Lower-chest slice from an abdominal CT, just above the liver and spleen. axial view. W/L 400/40 HU. acquired on SOMATOM Force
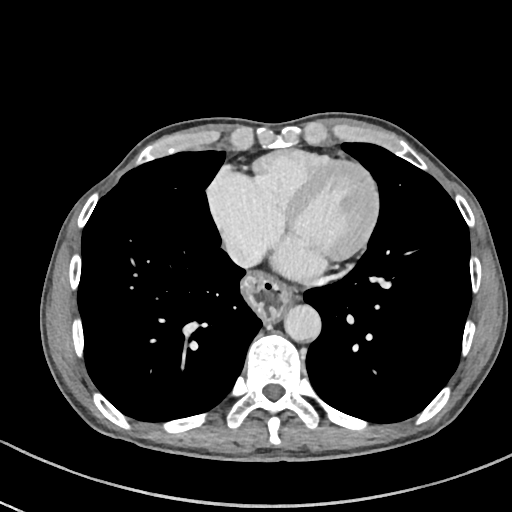
The heart and lungs are never labeled in this dataset, so they have no box on this slice.
<organs><organ name="esophagus" x1="244" y1="274" x2="291" y2="323"/><organ name="aorta" x1="284" y1="305" x2="321" y2="341"/><organ name="inferior vena cava" x1="226" y1="236" x2="261" y2="267"/></organs>